Computed tomography, abdomen — axial view
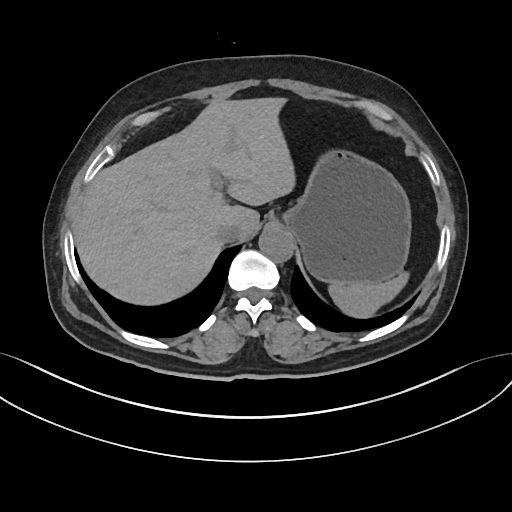
{"organs":{"aorta":[259,226,294,262],"spleen":[328,273,408,316],"inferior vena cava":[216,222,240,242],"liver":[74,98,294,304],"stomach":[282,152,410,283]}}